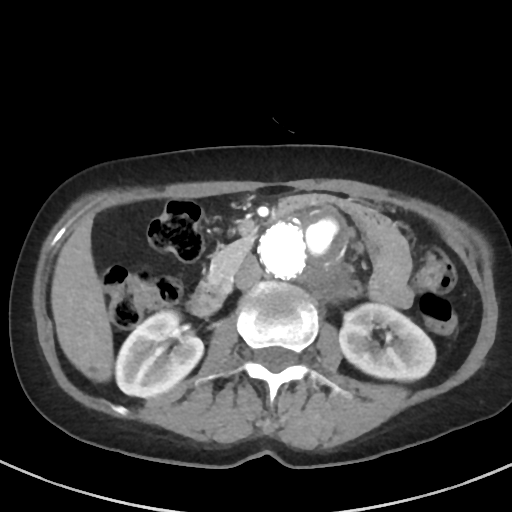 Abdominal CT. axial view. soft-tissue window. scan has 15 labeled organs (that count is for the whole scan; organs this slice misses have no box)
Boxes: x1:y1:x2:y2 in pixels. The annotated organs in this slice are: liver at 51:219:113:382, right kidney at 115:310:203:397, inferior vena cava at 234:256:262:290, aorta at 259:208:347:299, left kidney at 339:303:435:380, pancreas at 207:234:253:286, duodenum at 188:282:225:315.